Abdominal CT. Axial slice 155/192. 512x512 px. 15 organs annotated in this scan (a whole-scan count: organs this slice does not pass through have no box)
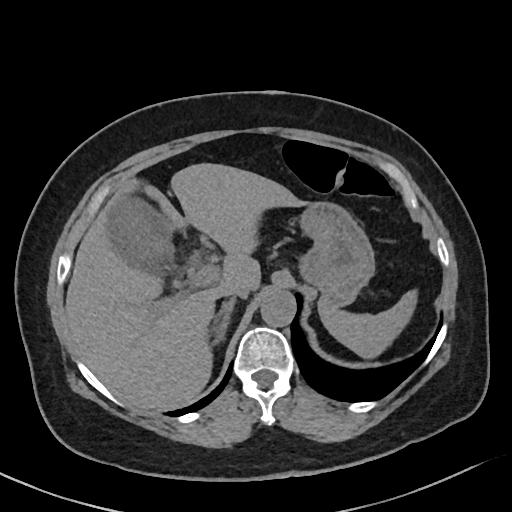 Boxes: x1:y1:x2:y2 in pixels.
Organ bounding boxes:
- spleen: 319:289:417:358
- gall bladder: 105:193:175:278
- liver: 66:163:300:409
- stomach: 298:200:374:307
- aorta: 260:289:296:325
- inferior vena cava: 221:284:251:298
- right adrenal gland: 212:298:235:346